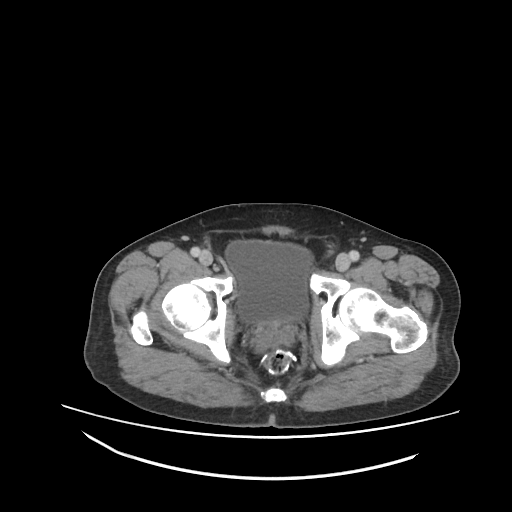
CT abdomen — axial view — 66-year-old male patient
<organs><organ name="bladder" x1="225" y1="241" x2="310" y2="323"/></organs>